Abdominal CT reaching into the chest; this slice is in the chest. axial view. 48-year-old female patient. 15 organs annotated in this scan (that count is for the whole scan; organs this slice misses have no box)
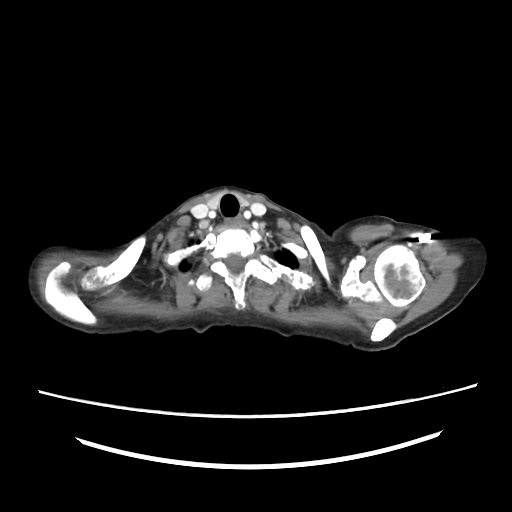

At this level of the chest this dataset labels only the esophagus and the aorta, and each is boxed only where it is labeled; the heart and lungs are never labeled.
{"organs":{"esophagus":[234,215,244,223]}}